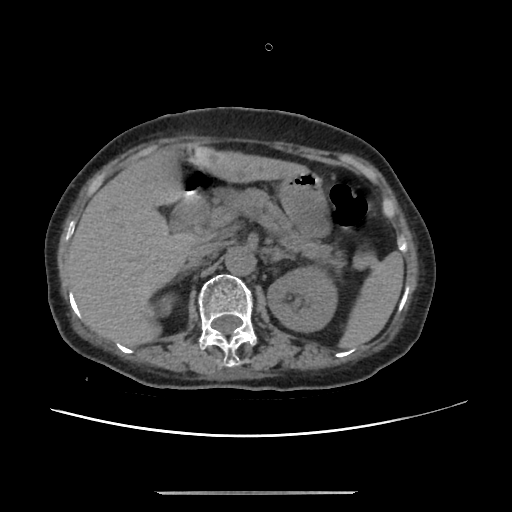
Computed tomography, abdomen · axial plane, index 247 · W/L 400/40 HU · 512x512 px
Organ boxes in pixel coordinates; each row gives the top-left (x1, y1) and bottom-right (x2, y2) corners.
| organ | x1 | y1 | x2 | y2 |
|---|---|---|---|---|
| spleen | 341 | 252 | 403 | 348 |
| right kidney | 159 | 295 | 170 | 311 |
| left kidney | 268 | 265 | 337 | 332 |
| liver | 68 | 146 | 307 | 346 |
| stomach | 277 | 170 | 329 | 236 |
| aorta | 224 | 245 | 255 | 274 |
| inferior vena cava | 187 | 242 | 217 | 266 |
| pancreas | 215 | 187 | 331 | 258 |
| right adrenal gland | 184 | 265 | 190 | 269 |
| left adrenal gland | 272 | 248 | 290 | 259 |
| duodenum | 175 | 145 | 209 | 219 |